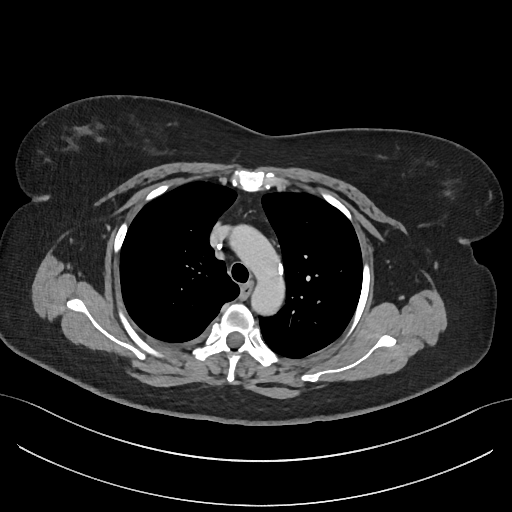

Abdominal CT reaching into the chest; this slice is in the chest · Axial slice 265/305 · 512x512 px · acquired on SOMATOM Force
At this level of the chest no structure but the esophagus and the aorta has a label in this dataset, and those two are boxed only where they are labeled.
Bounding boxes in pixels, one row per box: x1, y1 is the top-left corner and x2, y2 the bottom-right.
| organ | x1 | y1 | x2 | y2 |
|---|---|---|---|---|
| esophagus | 241 | 283 | 251 | 295 |
| aorta | 227 | 223 | 284 | 317 |